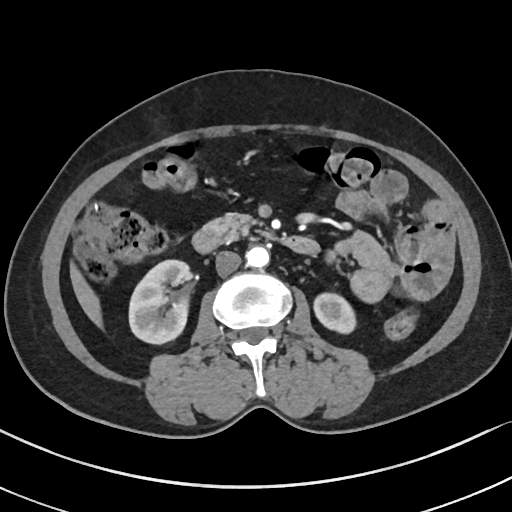 CT, abdomen/pelvis. Axial slice 127/294. abdomen soft-tissue window. 512x512 px. 15 organs annotated in this scan (that count is for the whole scan; organs this slice misses have no box)
Boxes: x1 y1 x2 y2 (pixel coords, space-separated).
Organ bounding boxes:
- right kidney: 129 259 191 342
- left kidney: 314 294 353 331
- liver: 70 264 102 326
- aorta: 245 245 269 267
- inferior vena cava: 216 250 241 275
- pancreas: 204 213 261 240
- duodenum: 192 226 318 254